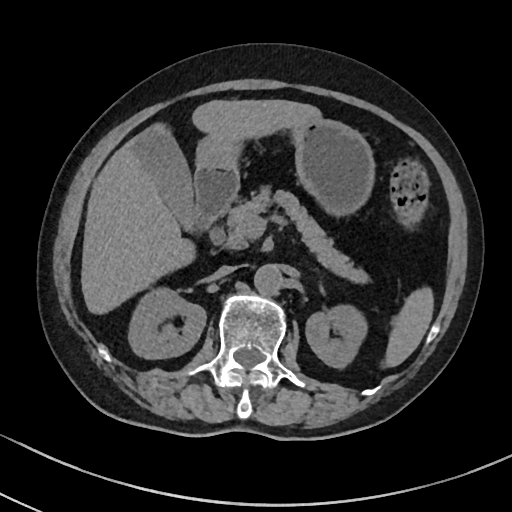

Abdominal CT; axial view; soft-tissue window
Bounding boxes as [x1, y1, x2, y2] in pixel coordinates. 10 labeled organs on this slice — pancreas at [209, 192, 367, 281]; gall bladder at [129, 127, 191, 220]; right kidney at [128, 289, 205, 357]; left kidney at [305, 305, 367, 369]; aorta at [255, 264, 282, 293]; spleen at [386, 290, 432, 365]; inferior vena cava at [216, 266, 235, 277]; liver at [81, 99, 318, 313]; duodenum at [183, 165, 239, 233]; stomach at [195, 114, 372, 212].